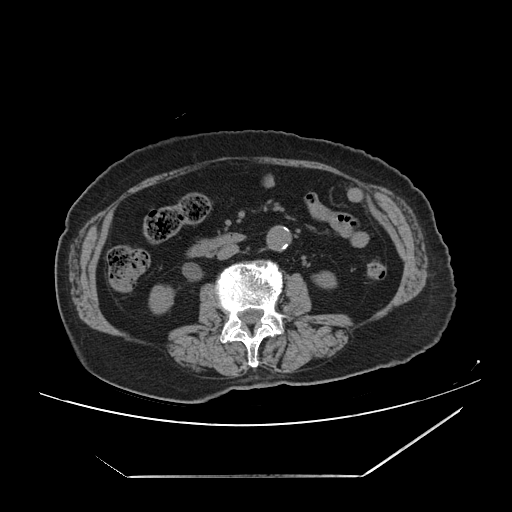
Abdominal CT · axial view · 512x512 px · acquired on SOMATOM Force · scan has 15 labeled organs (counted over the whole 3D scan, not this slice; an organ is boxed only where this slice passes through it)
Coordinates as <box>x1,y1,x2,y2</box> in pixels.
right kidney: <box>147,283,175,315</box>
left kidney: <box>310,269,338,292</box>
aorta: <box>264,226,290,251</box>
inferior vena cava: <box>216,244,237,260</box>
duodenum: <box>183,232,246,277</box>